Abdominal CT — Axial slice 54/97 — 25-year-old male patient
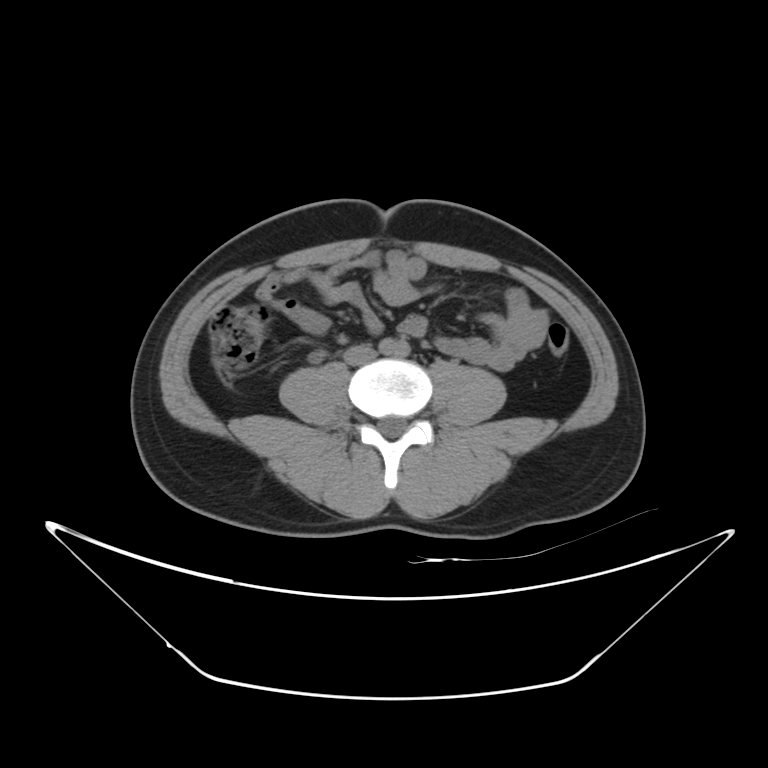 Bounding boxes in pixels, one row per box: x1, y1 is the top-left corner and x2, y2 the bottom-right.
| organ | x1 | y1 | x2 | y2 |
|---|---|---|---|---|
| inferior vena cava | 343 | 345 | 376 | 364 |